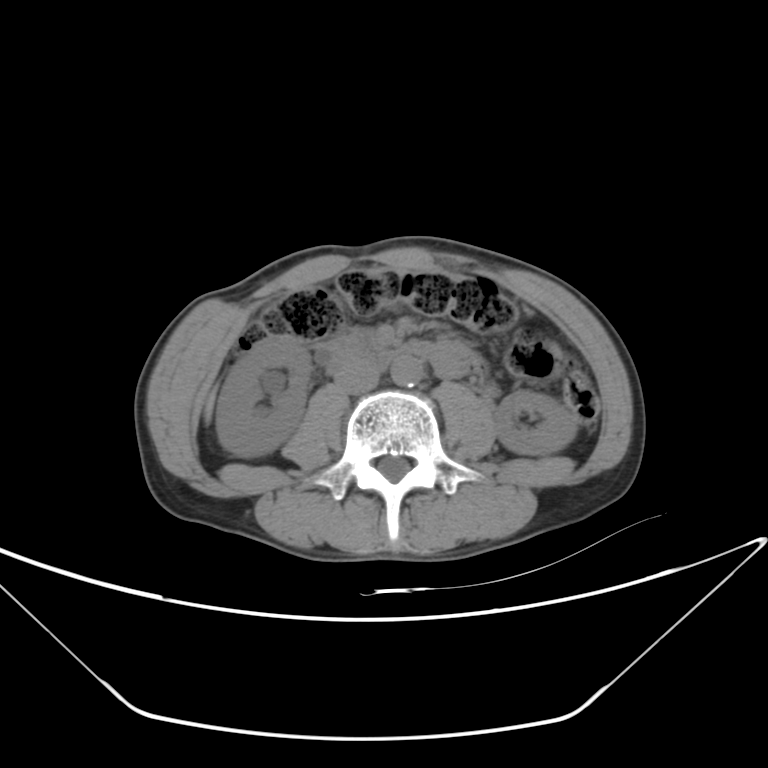

CT abdomen; axial view; abdomen soft-tissue window; acquired on Brilliance16; 15 organs annotated in this scan (counted over the whole 3D scan, not this slice; an organ is boxed only where this slice passes through it)
Boxes: x1:y1:x2:y2 in pixels.
Organ bounding boxes:
- duodenum: 319:329:433:365
- inferior vena cava: 334:360:379:393
- aorta: 391:356:422:387
- left kidney: 493:389:576:455
- right kidney: 215:336:311:456
- liver: 204:386:217:418